CT abdomen. axial view. abdomen soft-tissue window. 512x512 px. acquired on SOMATOM Force
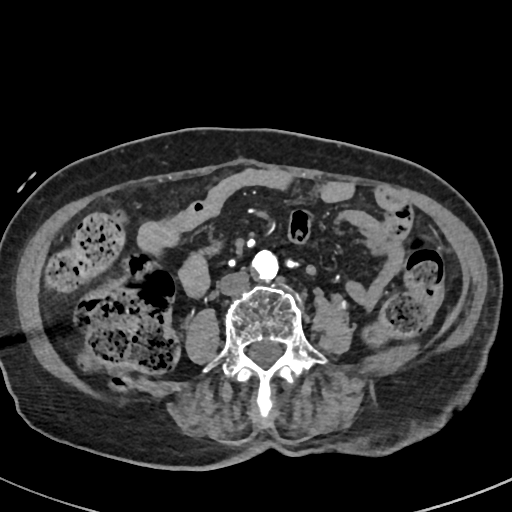
Each box given as x1,y1,x2,y2. 2 labeled organs on this slice — inferior vena cava at x1=217, y1=271, x2=249, y2=294; aorta at x1=252, y1=249, x2=278, y2=279.